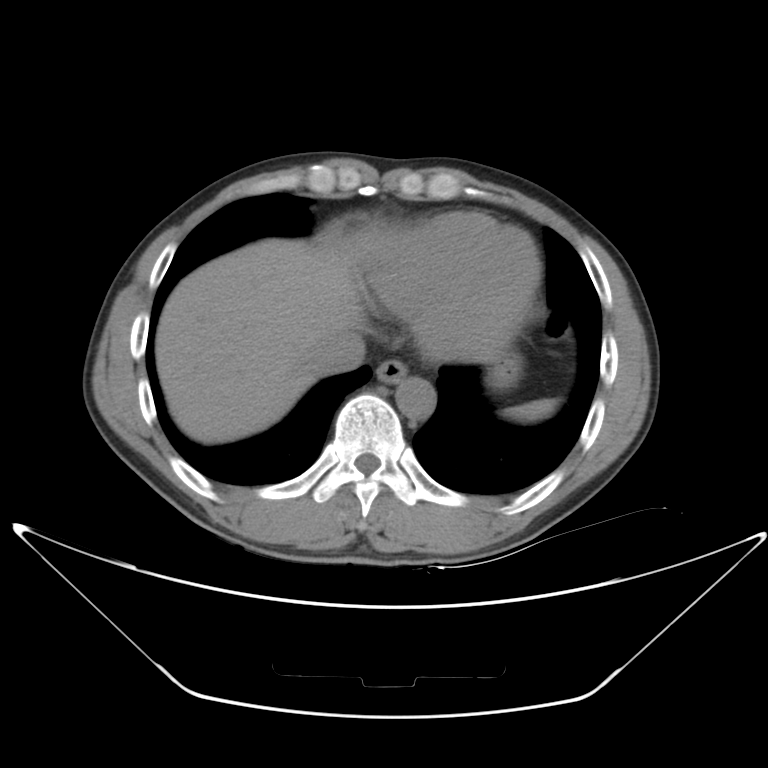 CT, abdomen/pelvis — axial plane, index 85 — W/L 400/40 HU — 15 organs annotated in this scan (counted over the whole 3D scan, not this slice; an organ is boxed only where this slice passes through it)
{"organs":{"spleen":[506,400,557,421],"esophagus":[376,361,407,383],"liver":[154,226,535,443],"stomach":[492,352,517,385],"aorta":[395,376,435,419],"inferior vena cava":[308,332,367,375]}}